CT abdomen — axial view — abdomen soft-tissue window — 768x768 px — 40-year-old male patient
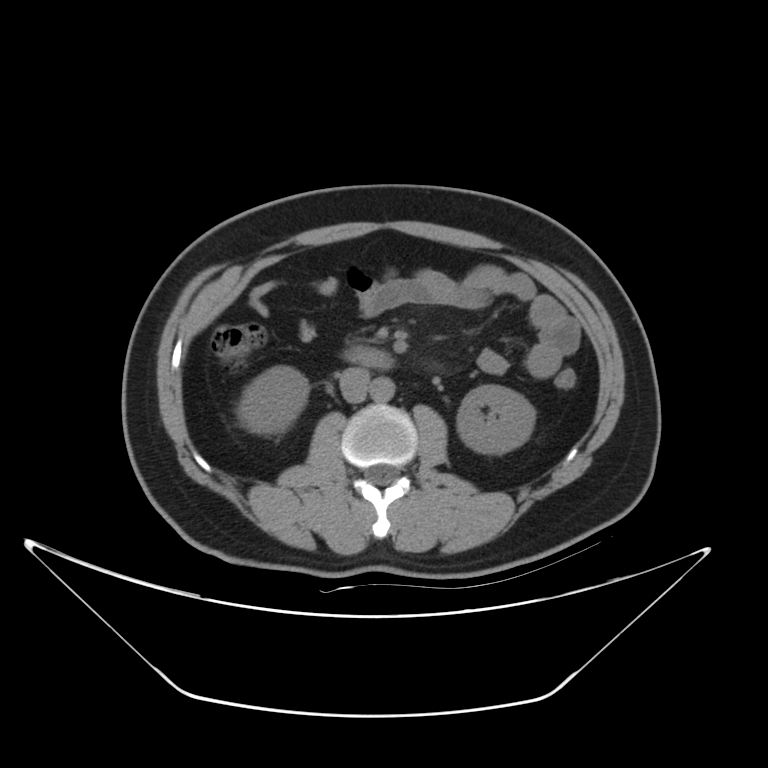

Boxes: x1 y1 x2 y2 (pixel coords, space-separated). Labeled organs on this slice: inferior vena cava at 339 367 369 402, aorta at 370 376 395 401, duodenum at 344 347 393 370, left kidney at 456 384 535 453, right kidney at 241 366 308 433.